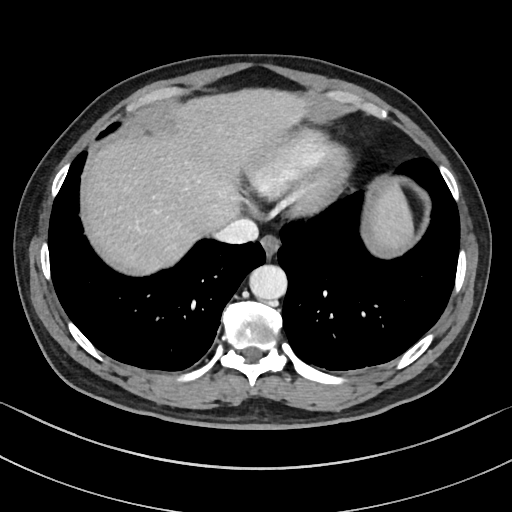

Abdominal CT · Axial slice 205/232 · acquired on SOMATOM Force
One row per box, in pixels: columns x1 and y1 give the top-left corner, x2 and y2 the bottom-right.
| organ | x1 | y1 | x2 | y2 |
|---|---|---|---|---|
| aorta | 248 | 264 | 286 | 300 |
| esophagus | 260 | 233 | 279 | 256 |
| inferior vena cava | 215 | 218 | 257 | 244 |
| liver | 83 | 90 | 413 | 271 |